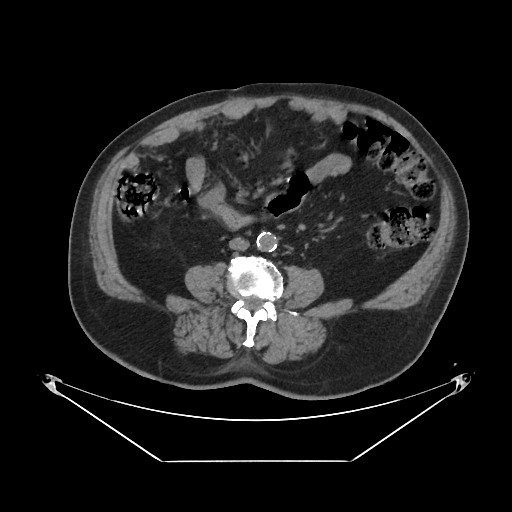
Computed tomography, abdomen. axial view. W/L 400/40 HU. 512x512 px
<organs><organ name="aorta" x1="257" y1="232" x2="278" y2="251"/><organ name="inferior vena cava" x1="229" y1="236" x2="249" y2="250"/></organs>